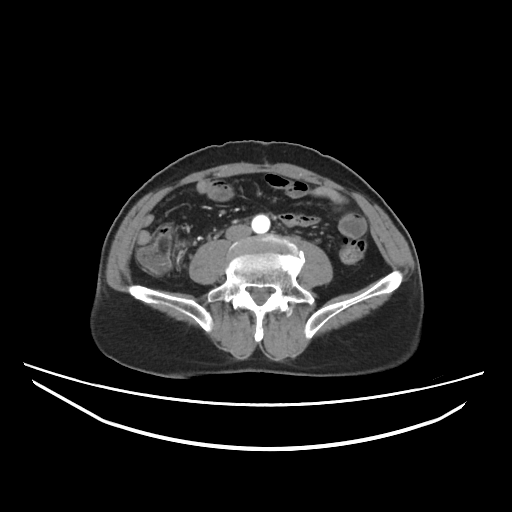 Abdominal CT. axial view. soft-tissue window. acquired on Aquilion ONE
Coordinates as <box>x1,y1,x2,y2</box> in pixels. 2 labeled organs on this slice — aorta at <box>251,214,270,233</box>; inferior vena cava at <box>226,225,250,239</box>.